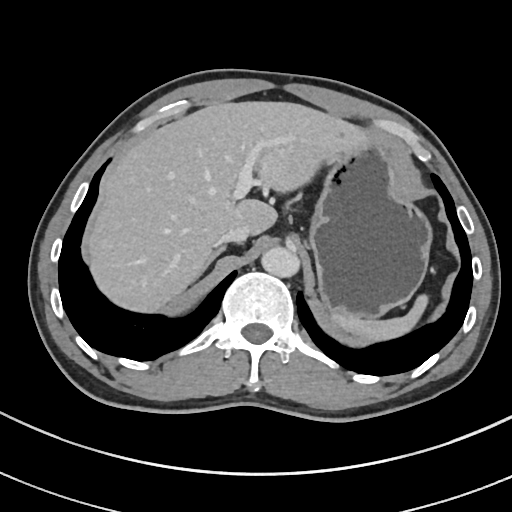

Abdominal CT · Axial slice 153/298 · W/L 400/40 HU · 512x512 px
Bounding boxes in pixels, one row per box: x1, y1 is the top-left corner and x2, y2 the bottom-right.
| organ | x1 | y1 | x2 | y2 |
|---|---|---|---|---|
| right adrenal gland | 201 | 244 | 227 | 274 |
| aorta | 260 | 245 | 298 | 276 |
| inferior vena cava | 218 | 224 | 249 | 242 |
| liver | 90 | 100 | 365 | 312 |
| stomach | 310 | 131 | 433 | 317 |
| spleen | 329 | 293 | 427 | 343 |